CT, abdomen/pelvis. axial plane, index 86. abdomen soft-tissue window. Brilliance16 scanner
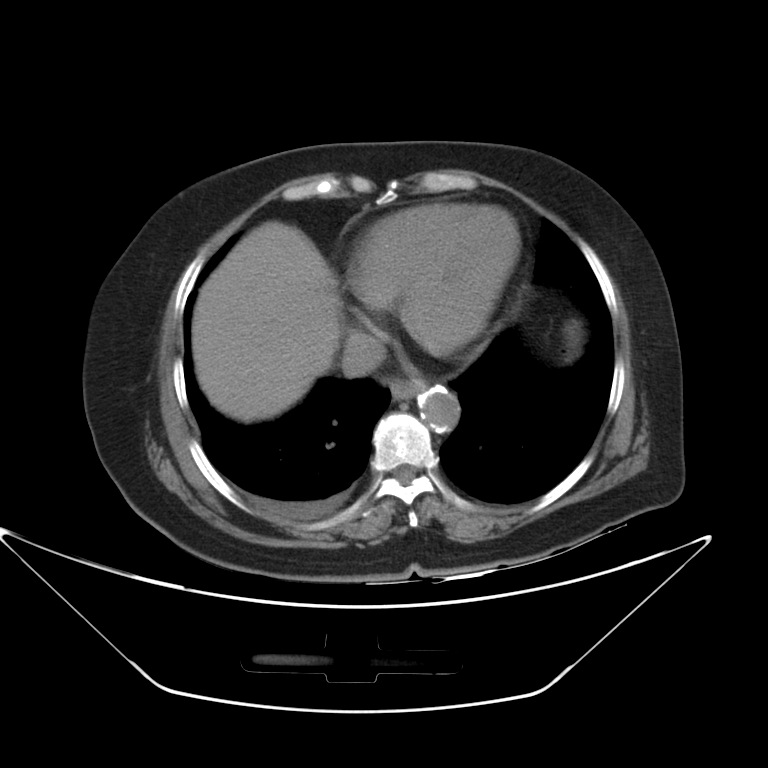 Coordinates as <box>x1,y1,x2,y2</box> in pixels.
Organ bounding boxes:
- esophagus: <box>388,379,426,399</box>
- liver: <box>191,221,340,421</box>
- aorta: <box>416,387,460,433</box>
- inferior vena cava: <box>341,330,386,378</box>